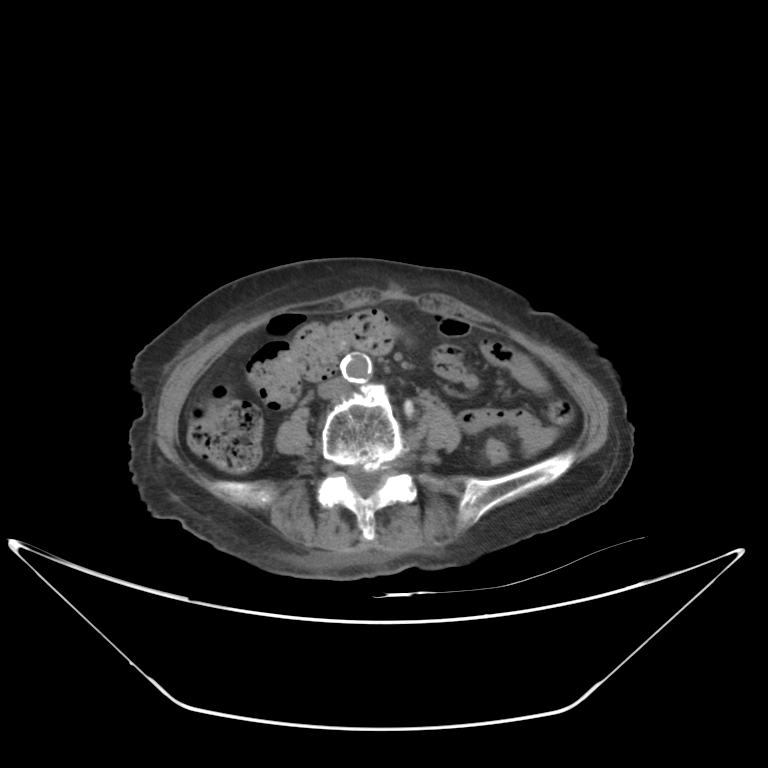
Abdominal CT — axial view — W/L 400/40 HU — female patient aged 90 or older
Boxes are (x1, y1, x2, y2) in pixels.
Organ bounding boxes:
- aorta: (340, 354, 372, 382)
- inferior vena cava: (319, 378, 347, 397)